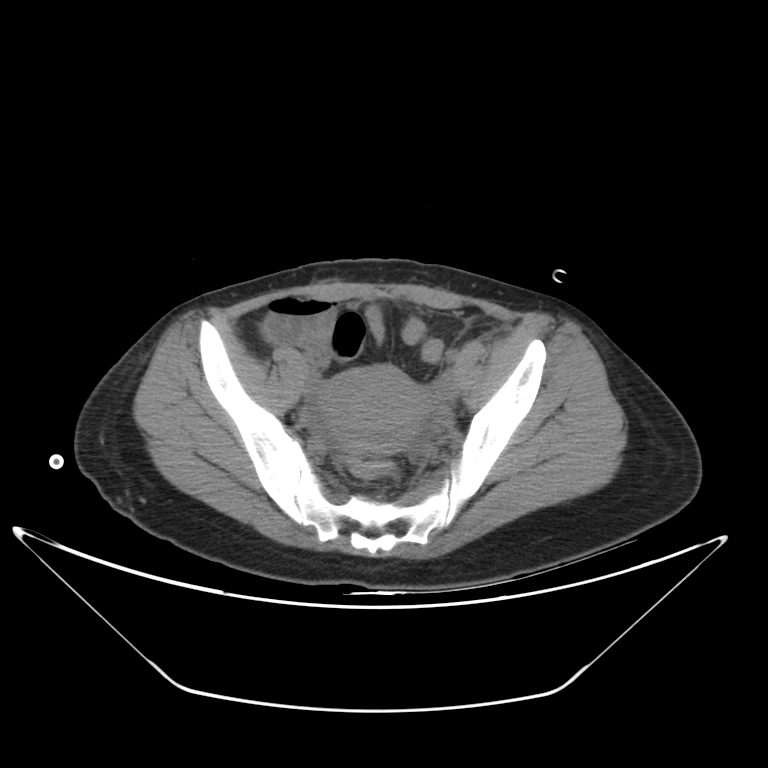 Abdominal CT · axial view · acquired on Brilliance16 · scan has 14 labeled organs (counted over the whole 3D scan, not this slice; an organ is boxed only where this slice passes through it)
Boxes: x1:y1:x2:y2 in pixels. The annotated organs in this slice are: prostate/uterus at 320:365:429:453.